MRI, abdomen; Axial slice 6/72; percentile-normalized; 576x468 px
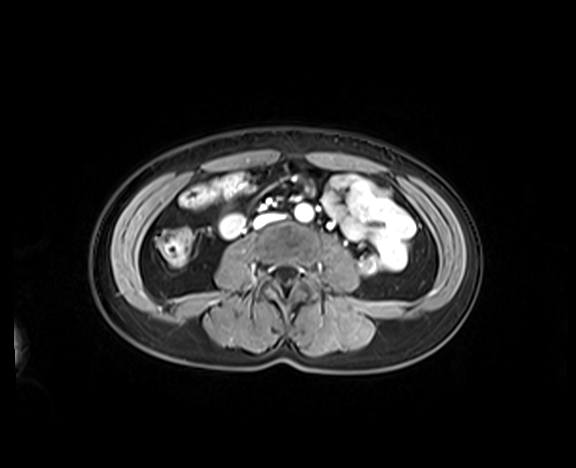
Bounding boxes as [x1, y1, x2, y2] in pixel coordinates. Labeled organs on this slice: inferior vena cava at [254, 214, 280, 228], aorta at [295, 204, 313, 220].